Computed tomography, abdomen; axial view
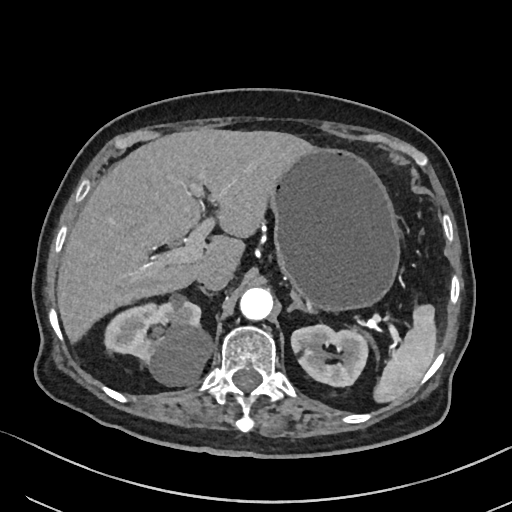

Boxes: x1 y1 x2 y2 (pixel coords, space-separated).
liver: 56 128 312 342
inferior vena cava: 200 270 232 290
right kidney: 104 298 211 385
aorta: 240 287 272 319
left adrenal gland: 287 291 313 312
stomach: 268 147 400 311
left kidney: 291 324 368 386
right adrenal gland: 200 287 212 296
spleen: 373 304 436 402